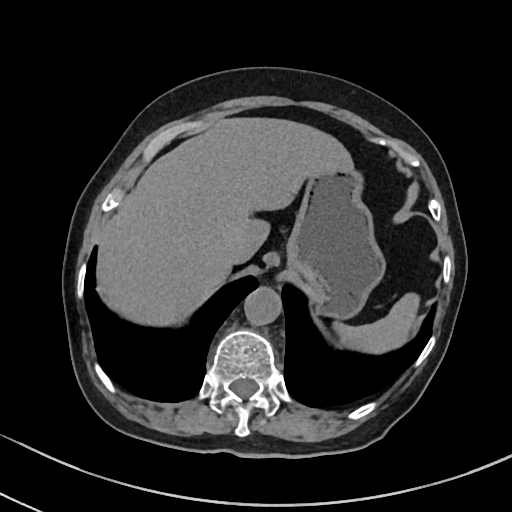
Computed tomography, abdomen; axial view
{"organs":{"spleen":[333,293,419,353],"liver":[97,117,353,326],"stomach":[286,168,385,318],"aorta":[244,287,281,325],"inferior vena cava":[224,242,242,264]}}